CT, abdomen/pelvis — axial view — 37-year-old male patient
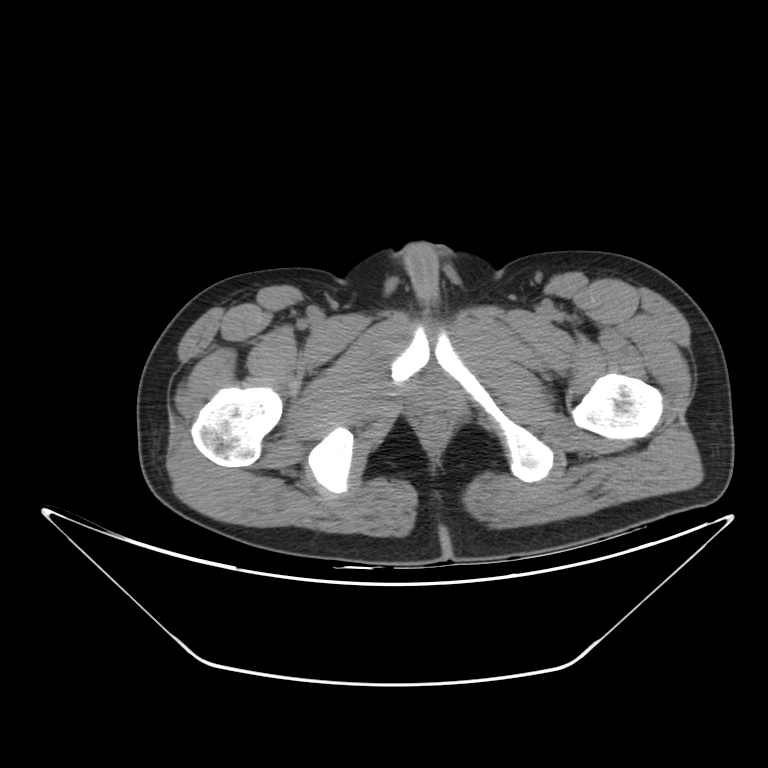 <organs><organ name="prostate/uterus" x1="415" y1="387" x2="450" y2="410"/></organs>